CT, abdomen/pelvis — axial view — soft-tissue window
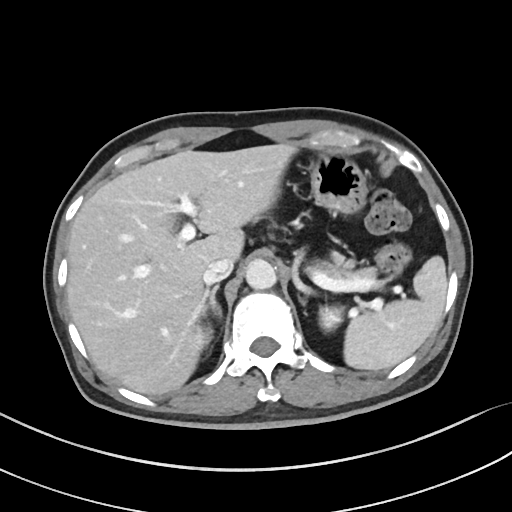 Boxes: x1 y1 x2 y2 (pixel coords, space-separated).
spleen: 343 255 447 370
right kidney: 197 327 211 348
left kidney: 320 306 342 330
liver: 67 143 296 395
stomach: 311 154 366 213
aorta: 245 259 276 289
inferior vena cava: 202 258 232 285
pancreas: 312 251 376 278
right adrenal gland: 202 285 222 320
left adrenal gland: 300 299 304 303